Abdominal CT. axial plane, index 171. W/L 400/40 HU. SOMATOM Force scanner. 15 organs annotated in this scan (counted over the whole 3D scan, not this slice; an organ is boxed only where this slice passes through it)
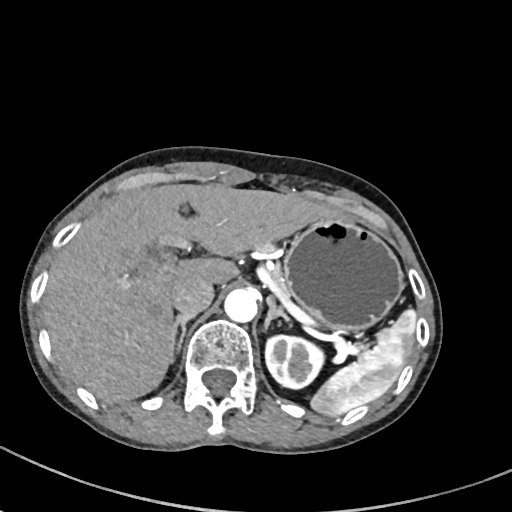

Boxes: x1 y1 x2 y2 (pixel coords, space-separated). Labeled organs on this slice: spleen at 309 308 416 416, left kidney at 264 334 324 389, liver at 42 183 338 402, stomach at 283 214 403 330, aorta at 224 288 257 321, inferior vena cava at 172 279 214 317, pancreas at 252 240 291 301, right adrenal gland at 169 315 190 362, left adrenal gland at 265 297 291 325.